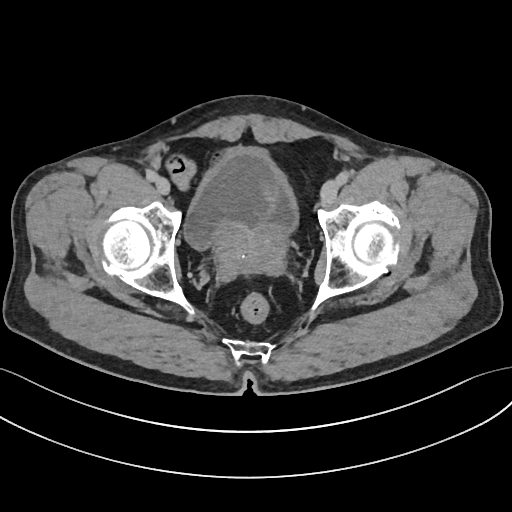 CT, abdomen/pelvis; axial view; abdomen soft-tissue window; 512x512 px
{"organs":{"bladder":[184,148,296,250],"prostate/uterus":[216,223,285,270]}}